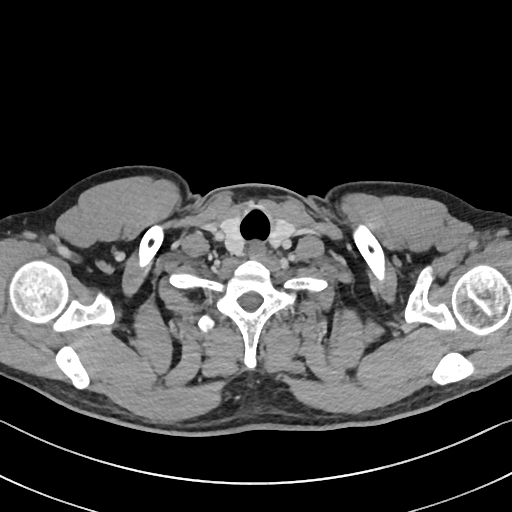
Chest-level slice from an abdominal CT that extends up into the chest · axial view · soft-tissue window, W/L 400/40 · acquired on SOMATOM Force · scan has 15 labeled organs (that count is for the whole scan; organs this slice misses have no box)
At this level of the chest no structure but the esophagus and the aorta has a label in this dataset, and those two are boxed only where they are labeled.
Boxes: x1:y1:x2:y2 in pixels.
esophagus: 247:243:265:261